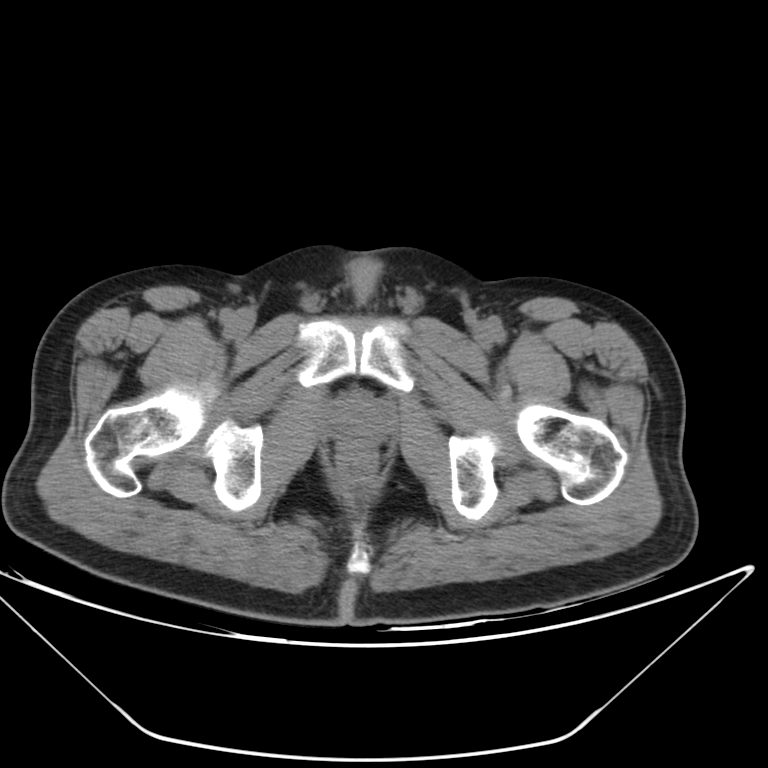 Computed tomography, abdomen; axial view; W/L 400/40 HU; 768x768 px; 50-year-old male patient
<organs><organ name="prostate/uterus" x1="325" y1="396" x2="392" y2="447"/></organs>